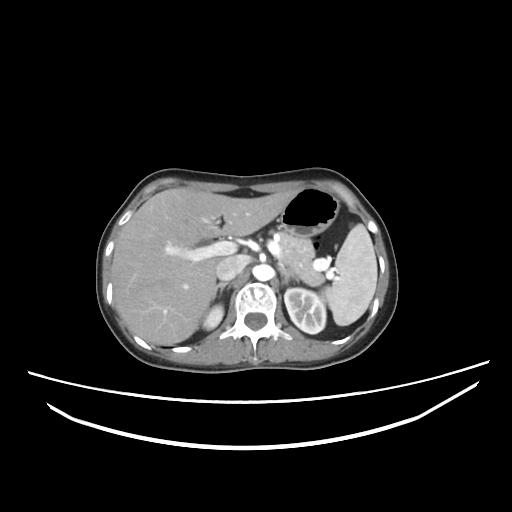
Abdominal CT; axial view; 15 organs annotated in this scan (a whole-scan count: organs this slice does not pass through have no box)
Boxes: x1 y1 x2 y2 (pixel coords, space-separated).
stomach: 280 187 339 238
right kidney: 202 305 223 329
spleen: 323 224 377 325
inferior vena cava: 216 255 246 280
liver: 111 187 295 345
pancreas: 279 232 324 285
left kidney: 284 288 326 333
left adrenal gland: 279 267 299 284
aorta: 253 264 272 280
right adrenal gland: 212 282 230 300